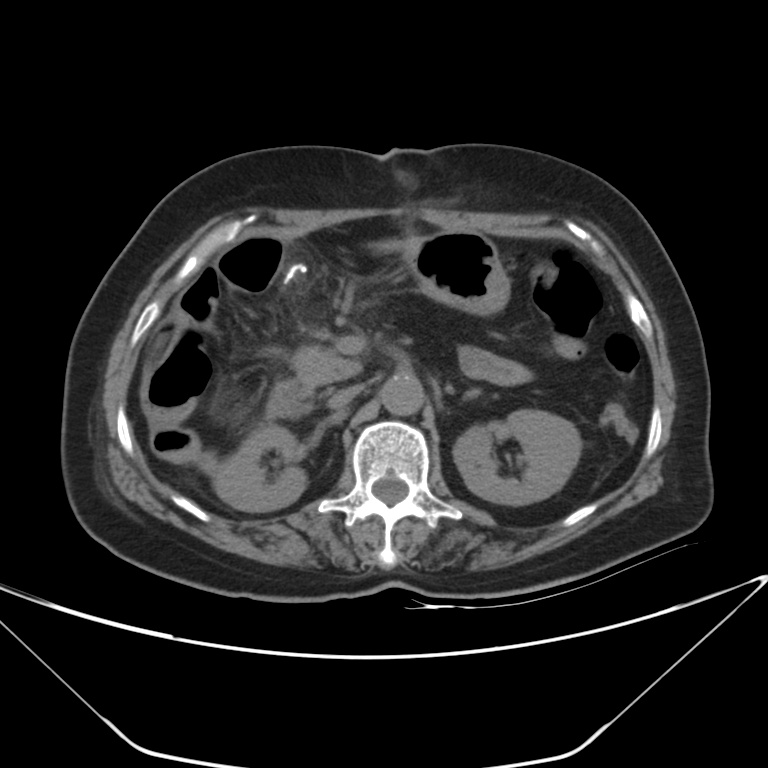

Computed tomography, abdomen; Axial slice 63/94; W/L 400/40 HU
One row per box, in pixels: columns x1 and y1 give the top-left corner, x2 and y2 the bottom-right.
| organ | x1 | y1 | x2 | y2 |
|---|---|---|---|---|
| aorta | 380 | 374 | 424 | 415 |
| liver | 371 | 236 | 423 | 259 |
| left adrenal gland | 447 | 387 | 479 | 398 |
| inferior vena cava | 328 | 385 | 360 | 409 |
| right kidney | 212 | 426 | 306 | 511 |
| duodenum | 266 | 379 | 312 | 417 |
| pancreas | 293 | 347 | 362 | 384 |
| stomach | 410 | 232 | 510 | 314 |
| left kidney | 453 | 409 | 581 | 505 |